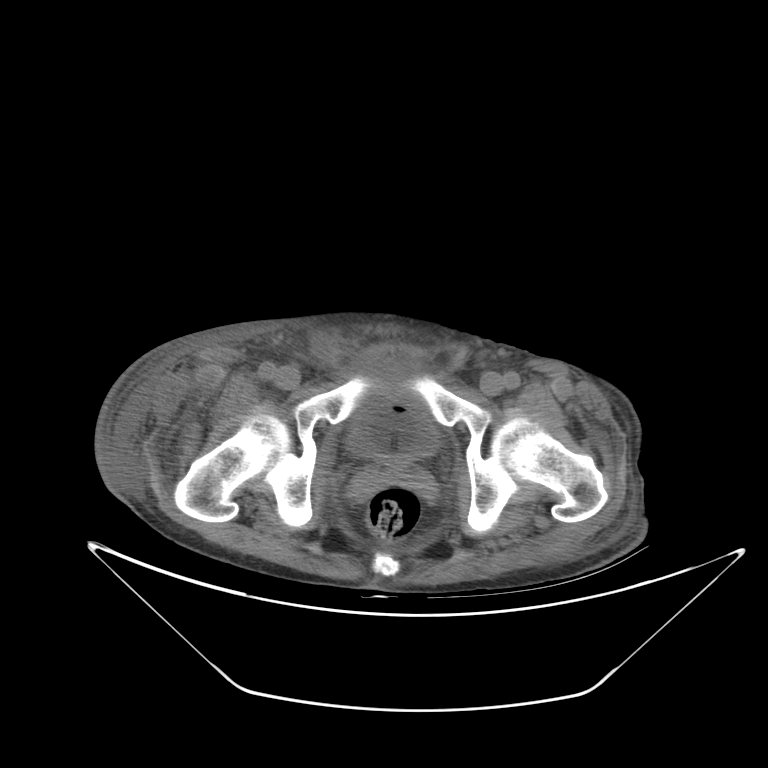
CT abdomen; axial view; 768x768 px; scan has 15 labeled organs (a whole-scan count: organs this slice does not pass through have no box)
One row per box, in pixels: columns x1 and y1 give the top-left corner, x2 and y2 the bottom-right.
| organ | x1 | y1 | x2 | y2 |
|---|---|---|---|---|
| bladder | 347 | 358 | 438 | 458 |